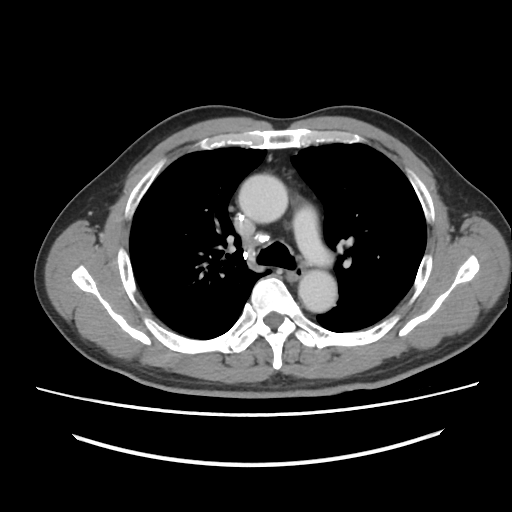

Chest-level CT slice, above the liver and spleen — axial view — 512x512 px
At this level of the chest this dataset labels only the esophagus and the aorta, and each is boxed only where it is labeled; the heart and lungs are never labeled.
{"organs":{"esophagus":[287,267,303,281],"aorta":[[238,174,287,223],[298,270,337,312]]}}